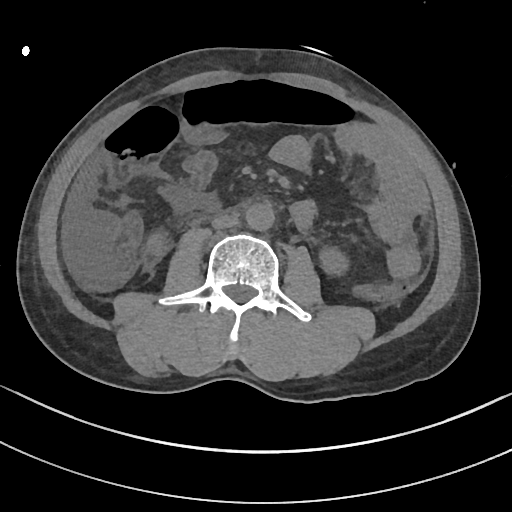 CT, abdomen/pelvis — axial plane, index 132
Boxes: x1:y1:x2:y2 in pixels.
left kidney: 321:250:347:272
right kidney: 143:232:165:260
inferior vena cava: 211:214:238:229
aorta: 246:204:274:231